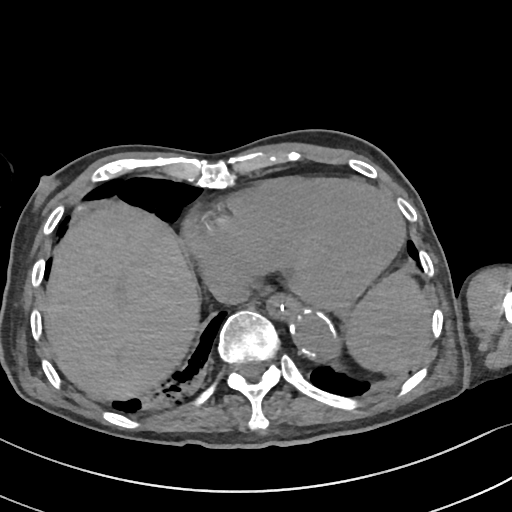 CT abdomen. axial view
{"organs":{"spleen":[346,273,431,374],"aorta":[285,309,337,357],"esophagus":[266,293,300,318],"liver":[43,202,200,400],"inferior vena cava":[208,269,250,304]}}